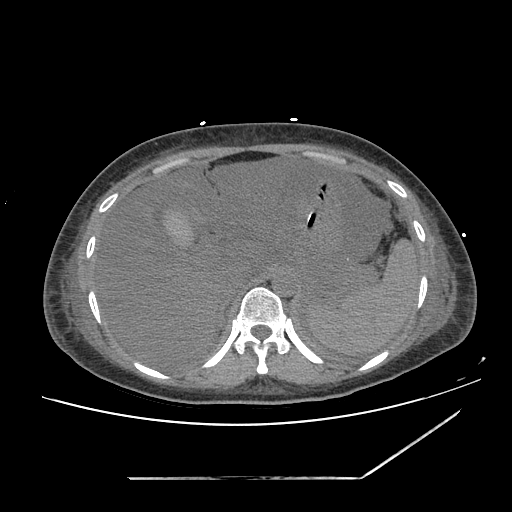
Abdominal CT. axial view. W/L 400/40 HU
<organs><organ name="spleen" x1="306" y1="238" x2="418" y2="355"/><organ name="gall bladder" x1="163" y1="207" x2="195" y2="250"/><organ name="liver" x1="94" y1="156" x2="307" y2="370"/><organ name="stomach" x1="296" y1="179" x2="343" y2="251"/><organ name="aorta" x1="272" y1="271" x2="296" y2="296"/><organ name="inferior vena cava" x1="220" y1="270" x2="253" y2="302"/></organs>